Computed tomography, abdomen. axial plane, index 15
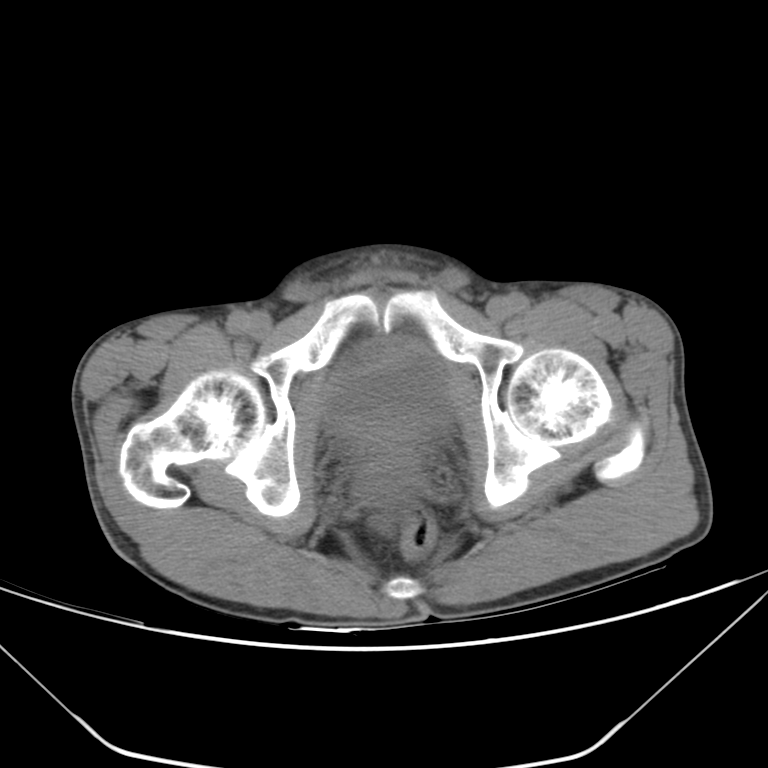 Coordinates as <box>x1,y1,x2,y2</box> in pixels. 2 labeled organs on this slice — bladder at <box>325,346,450,428</box>; prostate/uterus at <box>369,419,410,443</box>.